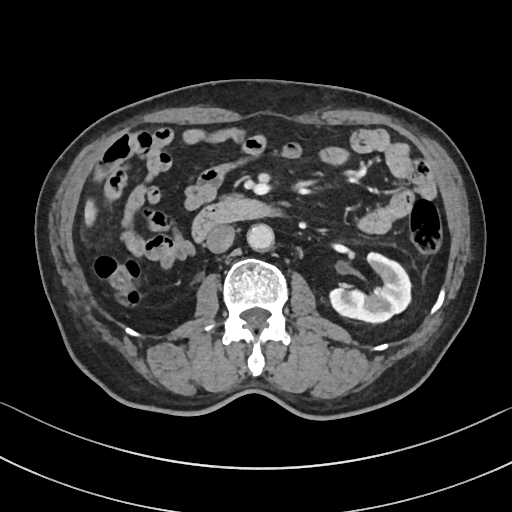

CT, abdomen/pelvis. axial view. soft-tissue window (W 400 / L 40). 512x512 px. 14 organs annotated in this scan (counted over the whole 3D scan, not this slice; an organ is boxed only where this slice passes through it)
{"organs":{"left kidney":[328,252,411,324],"liver":[84,202,96,225],"aorta":[246,222,273,250],"inferior vena cava":[206,225,234,252],"pancreas":[224,192,245,200],"duodenum":[191,198,274,240]}}